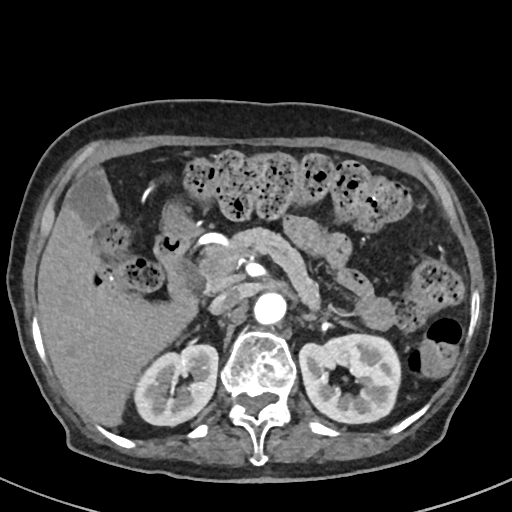
CT abdomen; axial view; 512x512 px
{"organs":{"inferior vena cava":[210,285,243,314],"stomach":[163,208,196,235],"aorta":[255,290,286,322],"left kidney":[300,333,402,423],"gall bladder":[64,169,117,233],"right kidney":[132,345,218,425],"liver":[37,204,196,424],"pancreas":[194,227,320,309],"duodenum":[156,234,199,314]}}